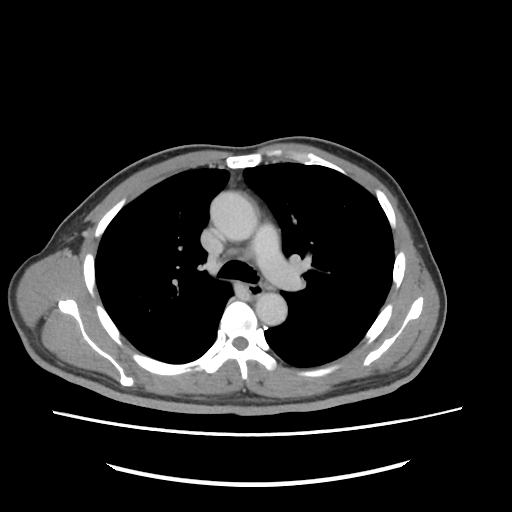 Abdominal CT reaching into the chest; this slice is in the chest. axial view. 512x512 px. acquired on Aquilion ONE
On a slice this high in the chest, this dataset labels only the esophagus and the aorta, and each is boxed only where it is labeled; the heart, lungs and other chest structures are not labeled. Coordinates as <box>x1,y1,x2,y2</box> in pixels. Labeled organs on this slice: esophagus at <box>247,284,263,295</box>, aorta at <box>210,191,257,241</box>, aorta at <box>255,293,287,325</box>.